CT abdomen · axial plane, index 43 · soft-tissue window (W 400 / L 40) · 15 organs annotated in this scan (counted over the whole 3D scan, not this slice; an organ is boxed only where this slice passes through it)
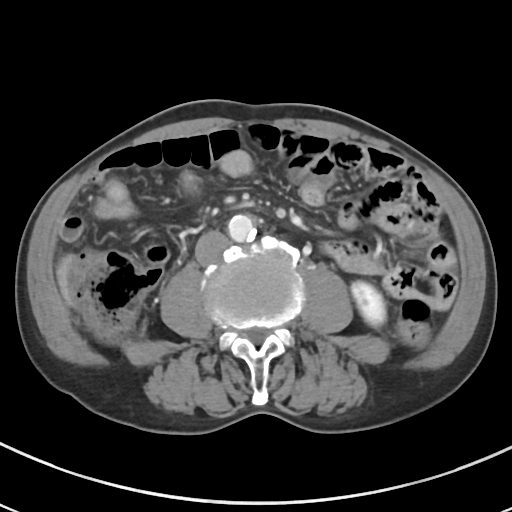
Boxes: x1:y1:x2:y2 in pixels.
left kidney: 351:282:385:326
aorta: 228:214:256:242
inferior vena cava: 195:230:230:265